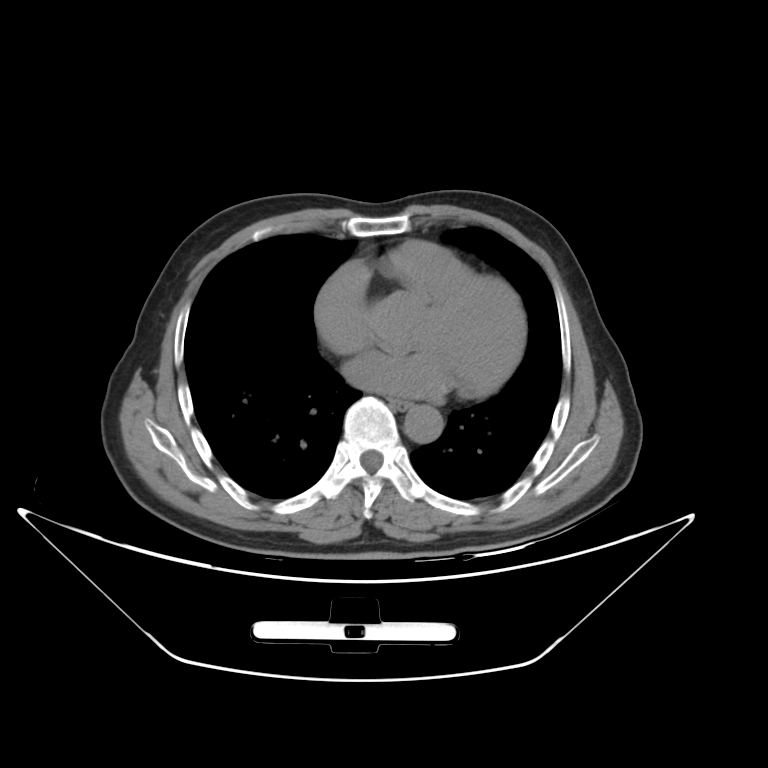
Lower-chest slice from an abdominal CT, just above the liver and spleen; axial plane, index 99; soft-tissue window; 768x768 px
Of the structures in the chest, this dataset labels only the esophagus, the aorta and the inferior vena cava; the heart and lungs have no label.
{"organs":{"esophagus":[387,396,407,409],"aorta":[404,405,442,443]}}